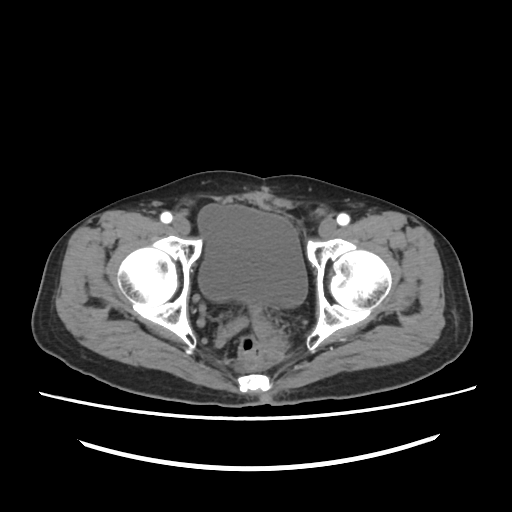
CT, abdomen/pelvis. Axial slice 19/134. 512x512 px. 65-year-old male patient
Bounding boxes as [x1, y1, x2, y2] in pixel coordinates.
Organ bounding boxes:
- bladder: [198, 204, 307, 307]